CT of the abdomen extending into the chest, slice through the chest · Axial slice 99/124 · soft-tissue window (W 400 / L 40) · 73-year-old female patient · 15 organs annotated in this scan (a whole-scan count: organs this slice does not pass through have no box)
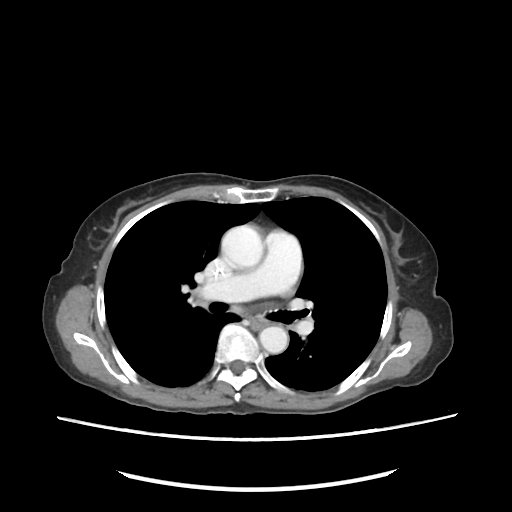 At this level of the chest this dataset labels only the esophagus and the aorta, and each is boxed only where it is labeled; the heart and lungs are never labeled.
{"organs":{"aorta":[[222,227,262,269],[260,326,286,352]]}}